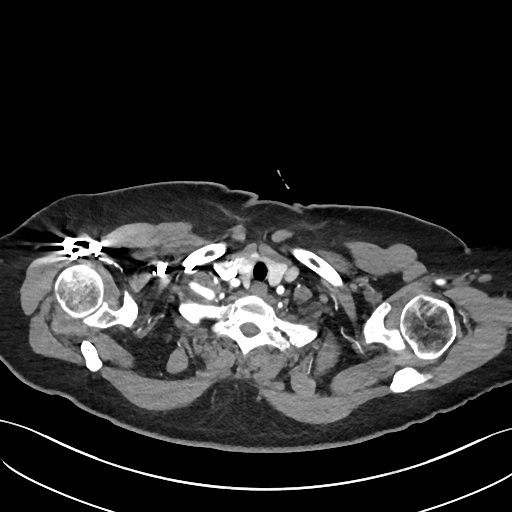 Abdominal CT reaching into the chest; this slice is in the chest; axial view; 512x512 px; 15 organs annotated in this scan (counted over the whole 3D scan, not this slice; an organ is boxed only where this slice passes through it)
At this level of the chest no structure but the esophagus and the aorta has a label in this dataset, and those two are boxed only where they are labeled.
Coordinates as <box>x1,y1,x2,y2</box> in pixels.
esophagus: <box>250,284,265,296</box>